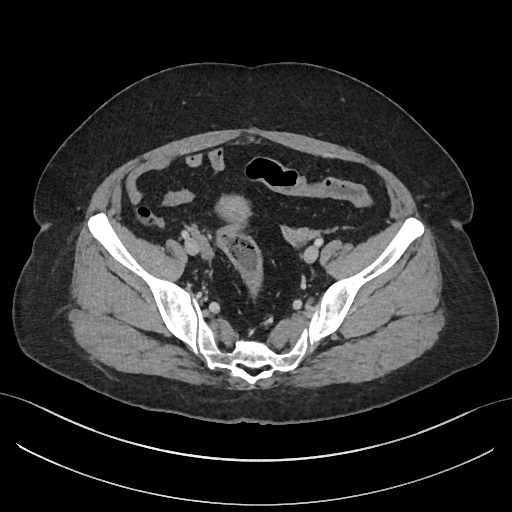 CT abdomen — axial plane, index 62 — soft-tissue window (W 400 / L 40)
Boxes: x1:y1:x2:y2 in pixels.
Organ bounding boxes:
- prostate/uterus: 219:195:248:220